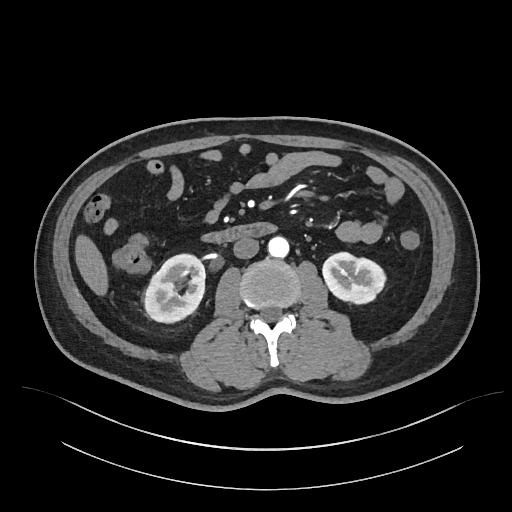

Abdominal CT; axial plane, index 143; abdomen soft-tissue window
Box edges are left/top/right/bottom in pixels. 6 labeled organs on this slice — right kidney at left=144, top=254, right=205, bottom=322; liver at left=74, top=235, right=108, bottom=295; duodenum at left=201, top=222, right=276, bottom=243; aorta at left=268, top=236, right=289, bottom=257; inferior vena cava at left=233, top=237, right=259, bottom=258; left kidney at left=322, top=252, right=385, bottom=303.